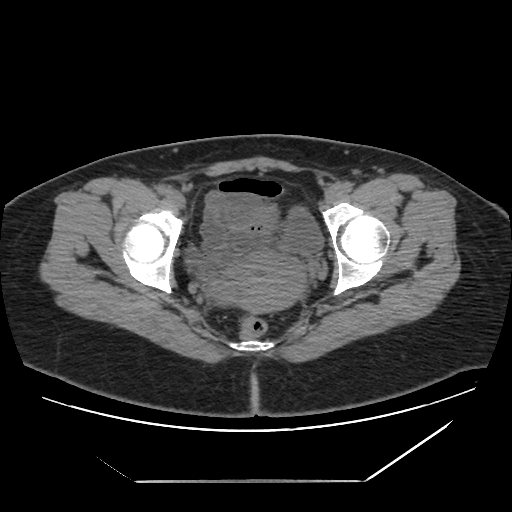

CT, abdomen/pelvis. axial view. W/L 400/40 HU
{"organs":{"bladder":[184,205,323,270],"prostate/uterus":[218,251,304,313]}}